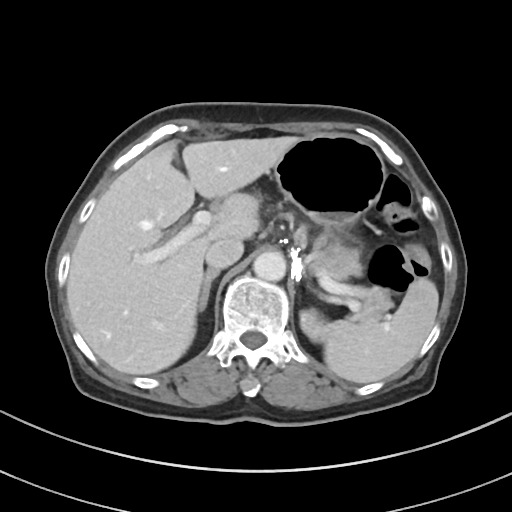 CT, abdomen/pelvis · Axial slice 67/84 · scan has 15 labeled organs (counted over the whole 3D scan, not this slice; an organ is boxed only where this slice passes through it)
Boxes: x1 y1 x2 y2 (pixel coords, space-separated).
spleen: 324 278 438 383
left kidney: 300 308 327 341
liver: 66 136 299 374
stomach: 273 133 385 245
aorta: 253 251 286 281
inferior vena cava: 205 237 243 269
pancreas: 251 198 392 321
right adrenal gland: 198 269 219 311